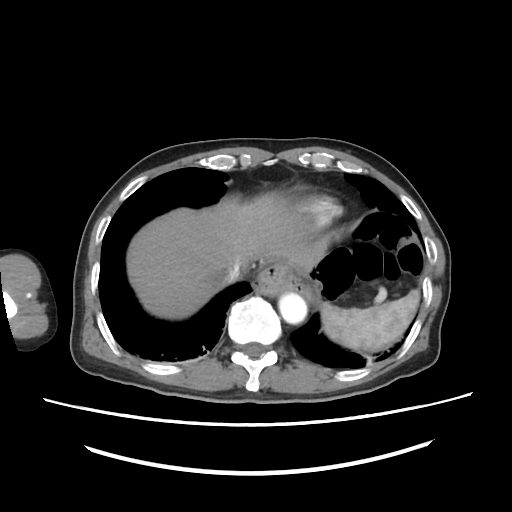 Computed tomography, abdomen. axial view. 61-year-old male patient
Coordinates as <box>x1,y1,x2,y2</box> in pixels.
spleen: <box>321,290,418,349</box>
liver: <box>127,194,330,317</box>
aorta: <box>278,292,307,322</box>
inferior vena cava: <box>223,267,244,284</box>